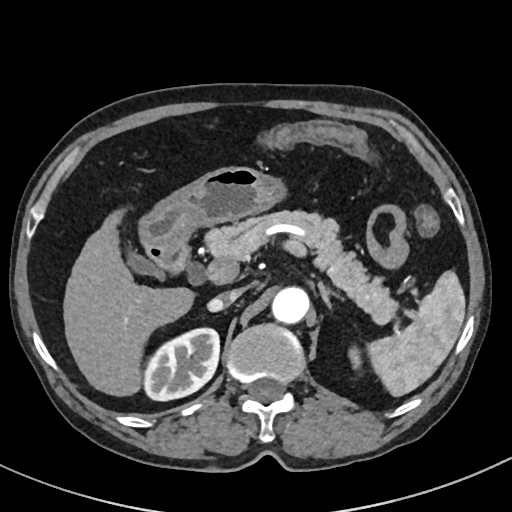
Abdominal CT · axial view · 512x512 px
{"organs":{"spleen":[368,270,465,396],"right kidney":[144,328,219,400],"left kidney":[348,347,360,369],"gall bladder":[125,250,165,280],"liver":[63,209,194,396],"stomach":[138,166,287,248],"aorta":[271,286,309,323],"inferior vena cava":[207,288,245,311],"pancreas":[205,210,398,324],"left adrenal gland":[318,281,344,307],"duodenum":[147,245,188,273]}}